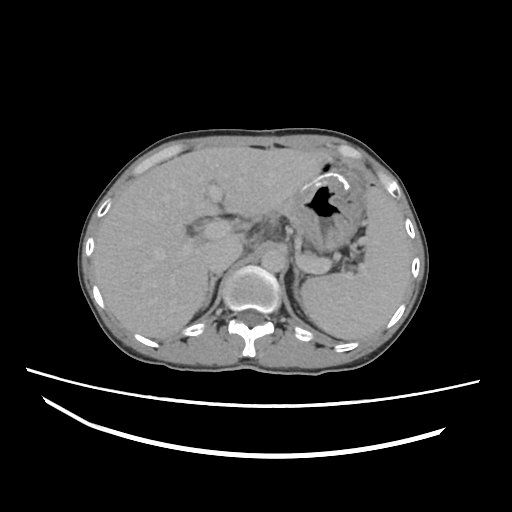 Abdominal CT · axial view
<organs><organ name="stomach" x1="299" y1="172" x2="363" y2="254"/><organ name="liver" x1="94" y1="144" x2="327" y2="339"/><organ name="right adrenal gland" x1="201" y1="275" x2="221" y2="310"/><organ name="aorta" x1="263" y1="248" x2="286" y2="272"/><organ name="pancreas" x1="274" y1="202" x2="302" y2="229"/><organ name="inferior vena cava" x1="205" y1="238" x2="244" y2="274"/><organ name="spleen" x1="299" y1="187" x2="411" y2="339"/><organ name="left adrenal gland" x1="293" y1="259" x2="304" y2="299"/></organs>